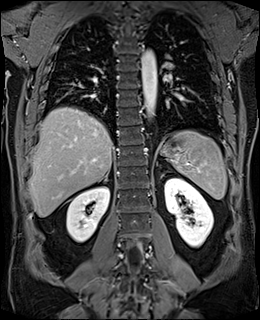
Abdominal MR · Coronal slice 40/144 · percentile-normalized · scan has 13 labeled organs (counted over the whole 3D scan, not this slice; an organ is boxed only where this slice passes through it)
{"organs":{"spleen":[164,130,227,199],"right kidney":[66,186,109,242],"left kidney":[164,178,213,247],"liver":[29,107,113,216],"stomach":[164,147,166,150],"aorta":[141,49,157,119],"right adrenal gland":[97,170,109,182],"left adrenal gland":[161,175,163,177]}}